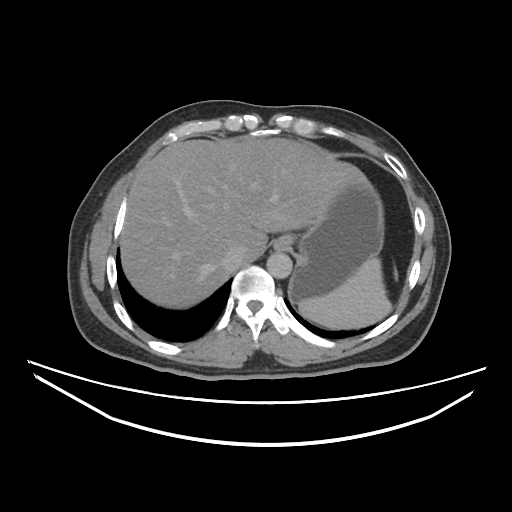 CT abdomen — axial view — 55-year-old male patient
Coordinates as <box>x1,y1,x2,y2</box> in pixels.
Organ bounding boxes:
- spleen: <box>297,258,392,328</box>
- esophagus: <box>275,239,285,251</box>
- liver: <box>119,137,399,309</box>
- stomach: <box>284,179,384,301</box>
- aorta: <box>267,252,292,278</box>
- inferior vena cava: <box>221,245,243,267</box>